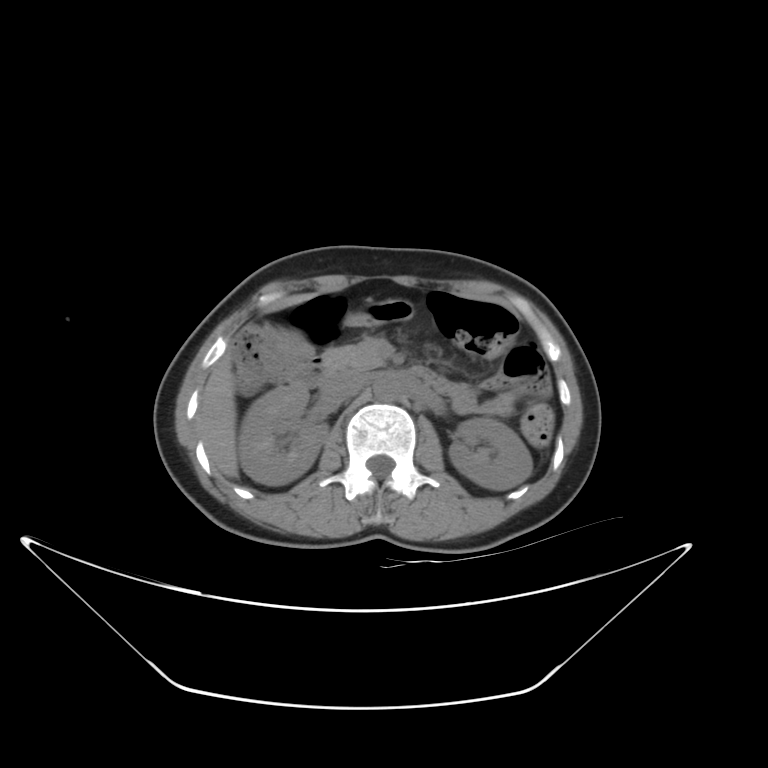 CT, abdomen/pelvis · axial view · 15 organs annotated in this scan (counted over the whole 3D scan, not this slice; an organ is boxed only where this slice passes through it)
{"organs":{"right kidney":[238,385,328,485],"left kidney":[449,418,532,490],"liver":[199,355,238,477],"aorta":[373,375,399,401],"inferior vena cava":[320,371,367,403],"pancreas":[321,337,388,373],"duodenum":[286,354,333,388]}}